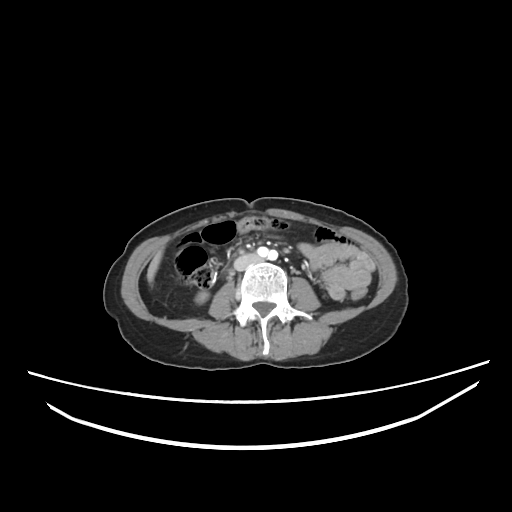
CT, abdomen/pelvis · axial view · Aquilion ONE scanner
Bounding boxes as [x1, y1, x2, y2] in pixel coordinates.
right kidney: [195, 291, 208, 303]
liver: [147, 248, 163, 283]
inferior vena cava: [233, 253, 260, 270]